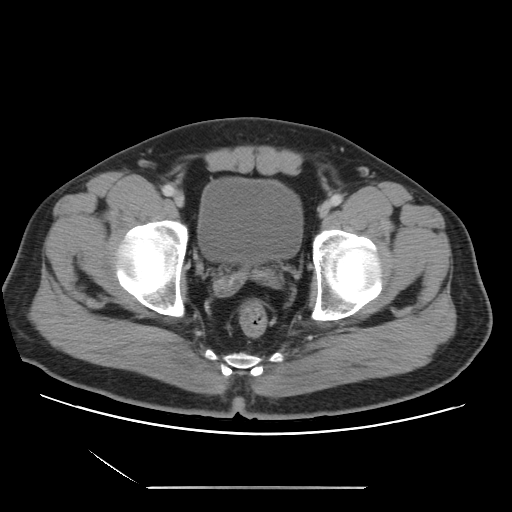 CT, abdomen/pelvis. axial view. soft-tissue window (W 400 / L 40). 15 organs annotated in this scan (that count is for the whole scan; organs this slice misses have no box)
{"organs":{"bladder":[198,177,302,263]}}